Computed tomography, abdomen · Axial slice 73/82 · 768x768 px · 15 organs annotated in this scan (that count is for the whole scan; organs this slice misses have no box)
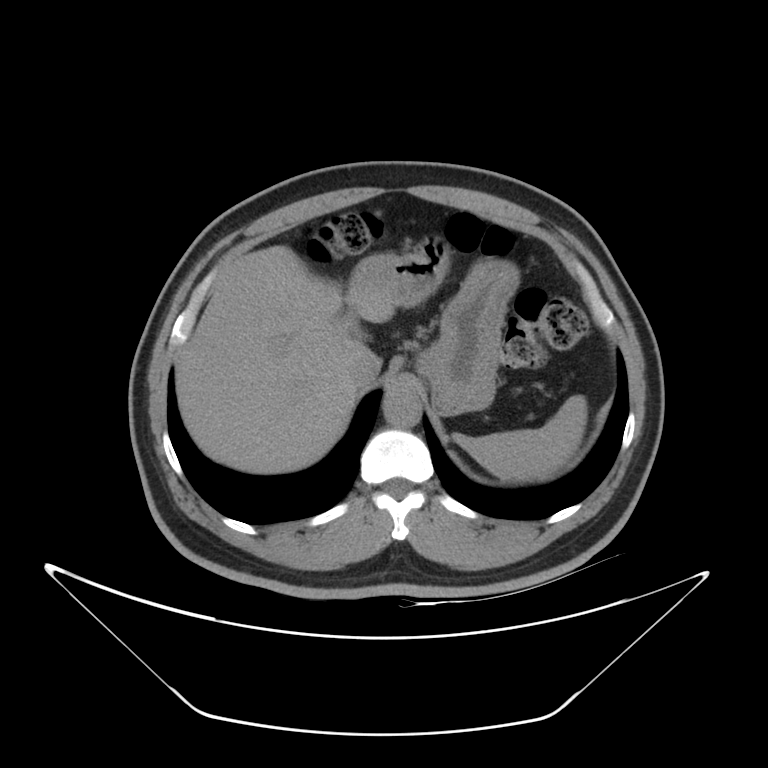
{"organs":{"spleen":[453,395,586,481],"liver":[176,246,393,473],"stomach":[348,234,519,415],"aorta":[382,388,422,427],"inferior vena cava":[347,349,381,387]}}